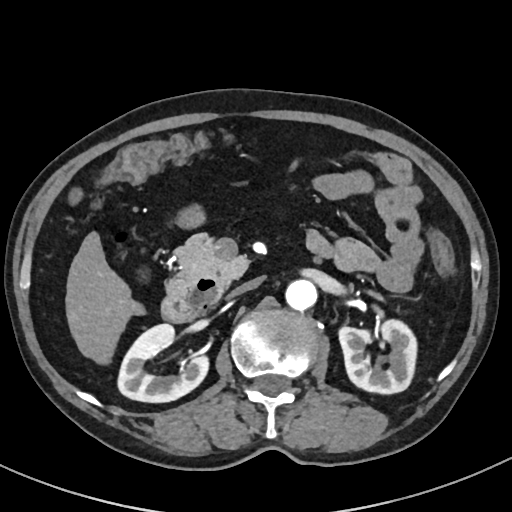

Computed tomography, abdomen · axial view · 512x512 px
One row per box, in pixels: columns x1 and y1 give the top-left corner, x2 and y2 the bottom-right.
| organ | x1 | y1 | x2 | y2 |
|---|---|---|---|---|
| right kidney | 117 | 323 | 209 | 402 |
| left kidney | 339 | 319 | 416 | 392 |
| liver | 65 | 233 | 140 | 361 |
| aorta | 286 | 279 | 318 | 309 |
| inferior vena cava | 229 | 279 | 261 | 296 |
| pancreas | 166 | 235 | 384 | 302 |
| duodenum | 162 | 279 | 222 | 323 |